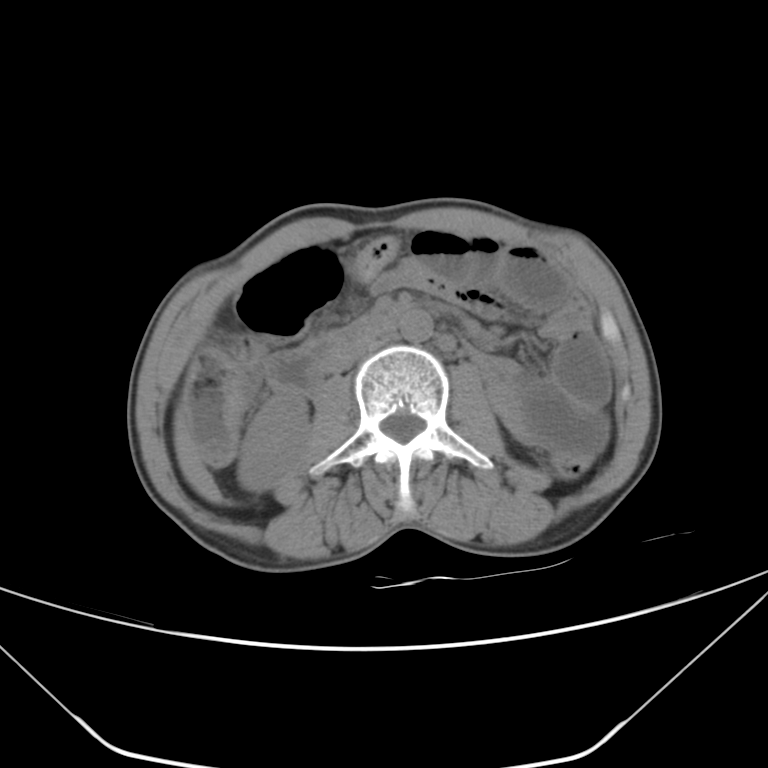
Computed tomography, abdomen · axial view · soft-tissue window · 768x768 px · 15 organs annotated in this scan (that count is for the whole scan; organs this slice misses have no box)
Organ boxes in pixel coordinates; each row gives the top-left (x1, y1) and bottom-right (x2, y2) corners.
| organ | x1 | y1 | x2 | y2 |
|---|---|---|---|---|
| inferior vena cava | 330 | 332 | 388 | 371 |
| duodenum | 267 | 309 | 400 | 391 |
| aorta | 399 | 309 | 433 | 343 |
| right kidney | 236 | 392 | 309 | 492 |
| liver | 174 | 397 | 224 | 504 |